Abdominal CT. Axial slice 56/78. 512x512 px. 47-year-old female patient
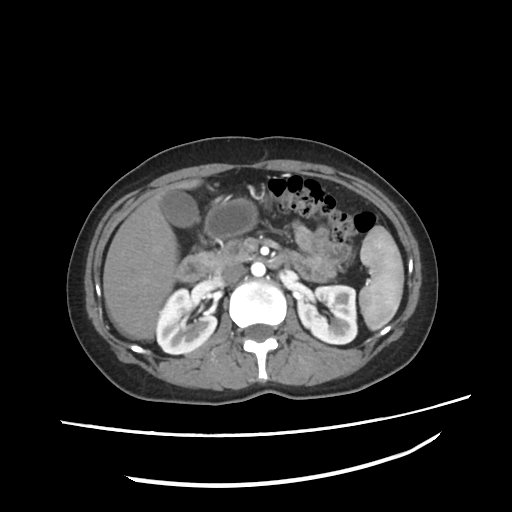
Box edges are left/top/right/bottom in pixels.
Organ bounding boxes:
- spleen: left=360, top=225, right=403, bottom=329
- right kidney: left=155, top=288, right=215, bottom=354
- left kidney: left=297, top=284, right=355, bottom=343
- gall bladder: left=160, top=190, right=198, bottom=226
- liver: left=103, top=179, right=200, bottom=340
- stomach: left=207, top=198, right=257, bottom=238
- aorta: left=251, top=261, right=265, bottom=276
- inferior vena cava: left=214, top=262, right=246, bottom=283
- pancreas: left=212, top=240, right=254, bottom=269
- duodenum: left=174, top=252, right=286, bottom=282